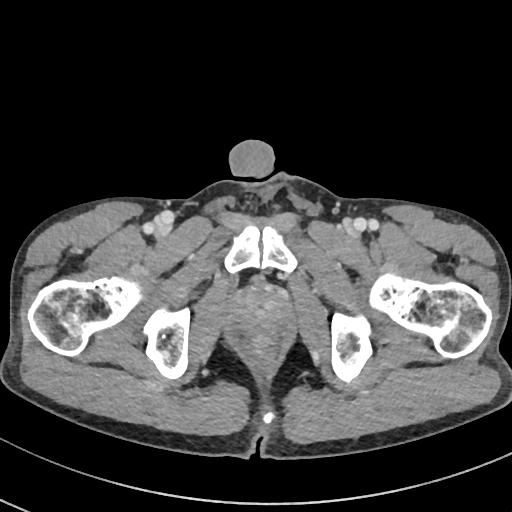
CT, abdomen/pelvis — axial view — soft-tissue window (W 400 / L 40)
{"organs":{"prostate/uterus":[232,288,290,332]}}